Abdominal CT; axial view; abdomen soft-tissue window; 512x512 px; 15 organs annotated in this scan (counted over the whole 3D scan, not this slice; an organ is boxed only where this slice passes through it)
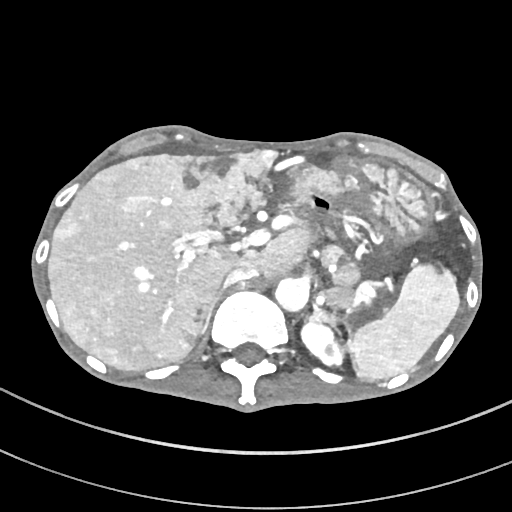 {"organs":{"aorta":[275,278,308,312],"right adrenal gland":[201,294,218,333],"stomach":[295,153,434,243],"left kidney":[301,322,342,366],"spleen":[348,261,460,379],"pancreas":[300,224,320,246],"liver":[47,149,357,370],"inferior vena cava":[224,268,257,285],"left adrenal gland":[305,305,336,328]}}